Abdominal MRI · axial plane, index 20
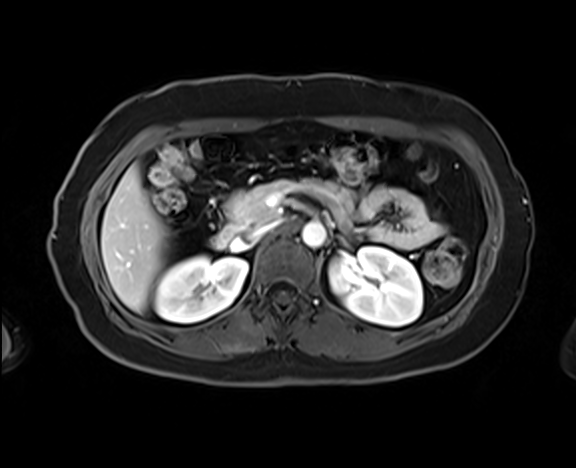

{"organs":{"right kidney":[155,256,247,321],"left kidney":[329,247,422,326],"liver":[101,165,166,312],"aorta":[302,222,326,247],"inferior vena cava":[248,221,277,240],"pancreas":[227,179,351,232],"duodenum":[212,225,234,248]}}